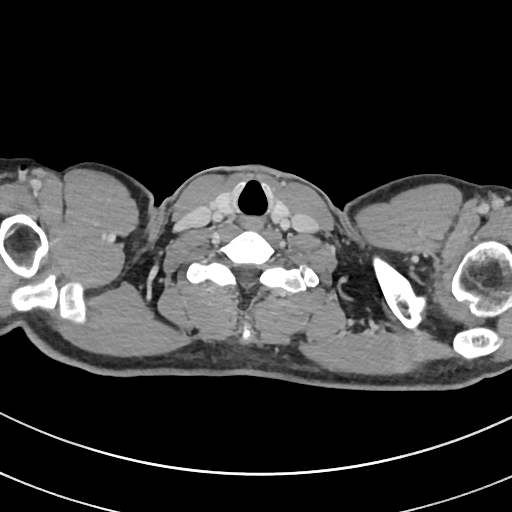 Abdominal CT reaching into the chest; this slice is in the chest — axial view — soft-tissue window (W 400 / L 40) — 512x512 px — acquired on SOMATOM Force
On a slice this high in the chest, this dataset labels only the esophagus and the aorta, and each is boxed only where it is labeled; the heart, lungs and other chest structures are not labeled.
Bounding boxes in pixels, one row per box: x1, y1 is the top-left corner and x2, y2 the bottom-right.
| organ | x1 | y1 | x2 | y2 |
|---|---|---|---|---|
| esophagus | 238 | 216 | 264 | 232 |